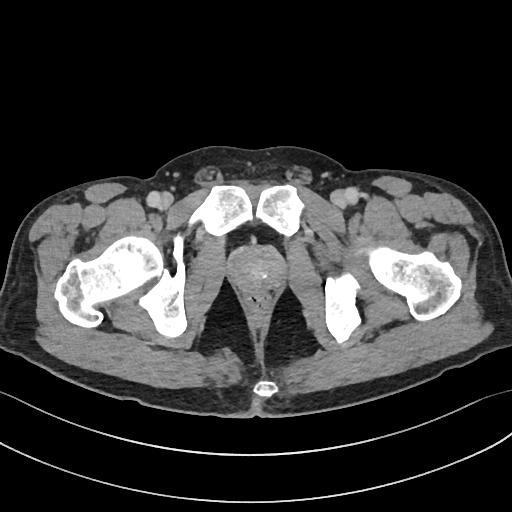 CT, abdomen/pelvis · axial view · soft-tissue window · 512x512 px · 14 organs annotated in this scan (counted over the whole 3D scan, not this slice; an organ is boxed only where this slice passes through it)
<organs><organ name="prostate/uterus" x1="231" y1="248" x2="282" y2="290"/></organs>